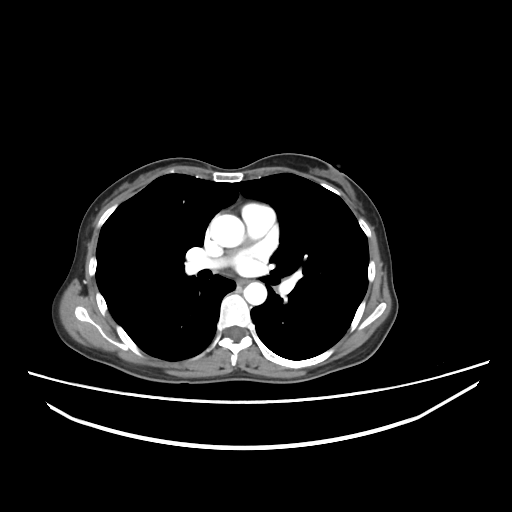 Chest-level CT slice, above the liver and spleen; Axial slice 88/114; acquired on Aquilion ONE; 15 organs annotated in this scan (counted over the whole 3D scan, not this slice; an organ is boxed only where this slice passes through it)
At this level of the chest this dataset labels only the esophagus and the aorta, and each is boxed only where it is labeled; the heart and lungs are never labeled. Box edges are left/top/right/bottom in pixels. The annotated organs in this slice are: esophagus at left=238, top=280, right=246, bottom=285, aorta at left=210, top=214, right=244, bottom=247, aorta at left=243, top=282, right=266, bottom=304.